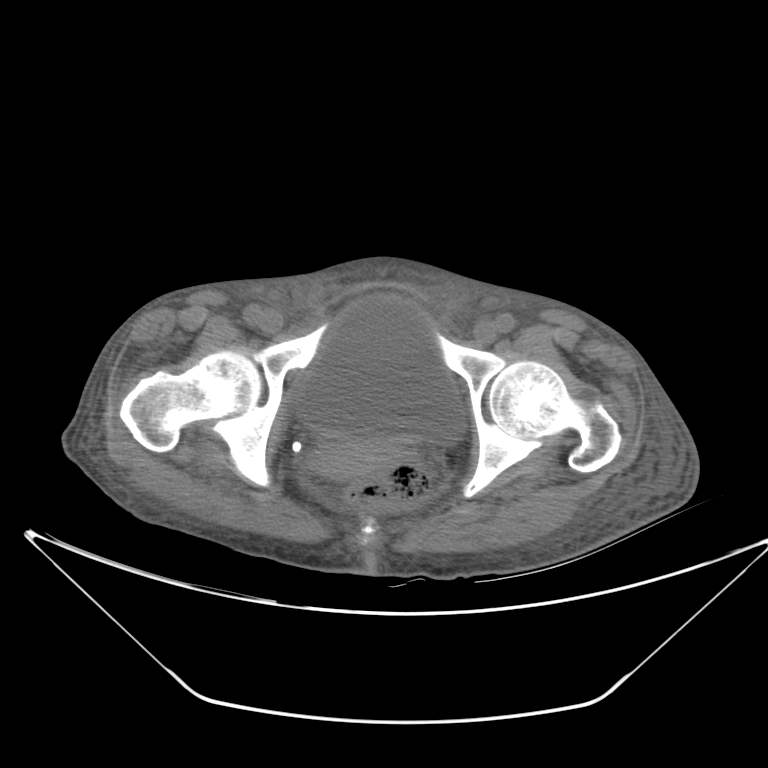

Abdominal CT · Axial slice 16/105 · 768x768 px · acquired on Brilliance16
{"organs":{"bladder":[295,297,465,443],"prostate/uterus":[309,436,399,480]}}